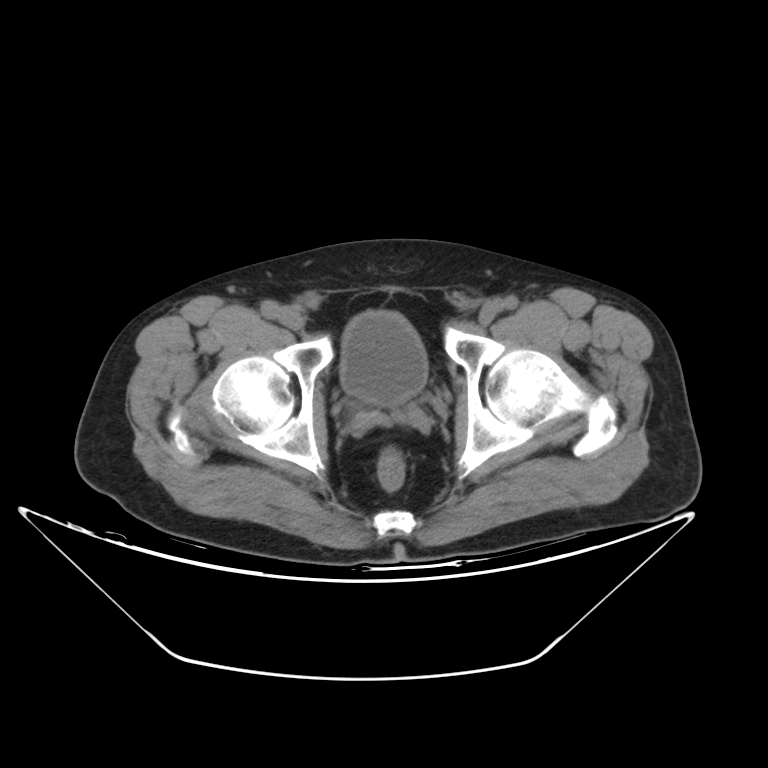

CT abdomen. axial view. W/L 400/40 HU. scan has 15 labeled organs (counted over the whole 3D scan, not this slice; an organ is boxed only where this slice passes through it)
Box edges are left/top/right/bottom in pixels.
Organ bounding boxes:
- bladder: left=341, top=310, right=428, bottom=406